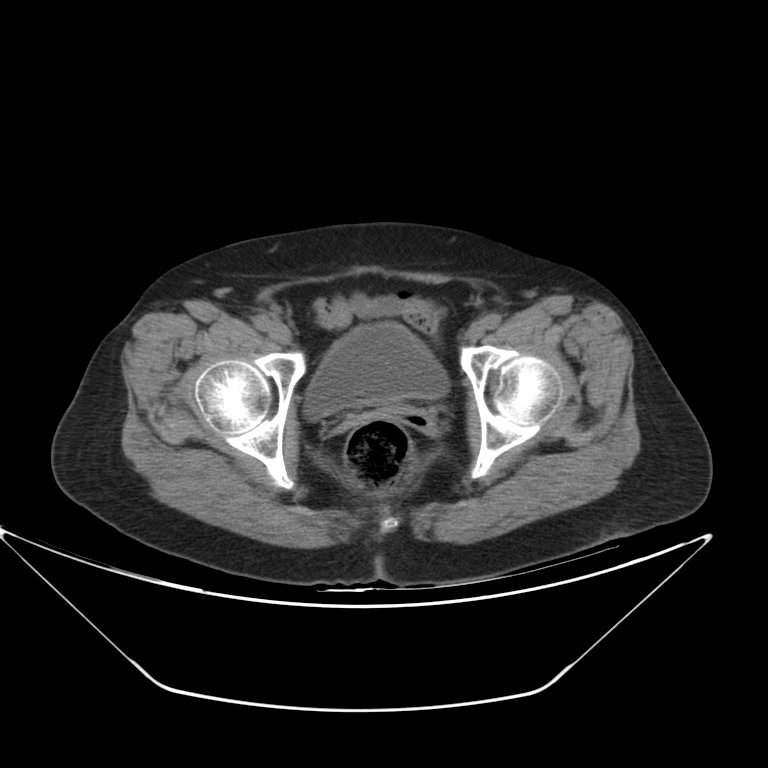

Computed tomography, abdomen; axial view
{"organs":{"bladder":[305,322,448,419]}}